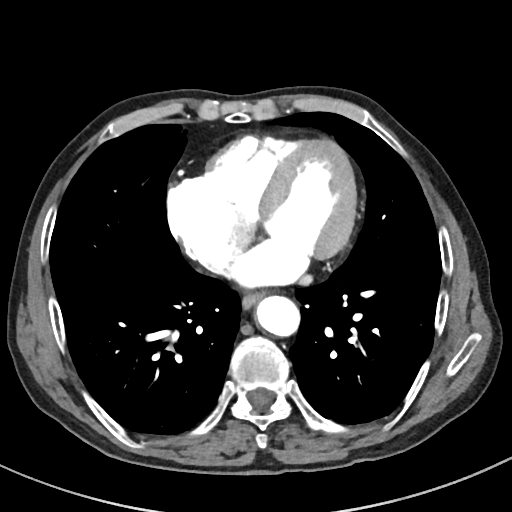
CT of the abdomen reaching into the lower chest, slice just above the liver and spleen — Axial slice 220/303 — soft-tissue window
Of the structures in the chest, this dataset labels only the esophagus, the aorta and the inferior vena cava; the heart and lungs have no label.
One row per box, in pixels: columns x1 and y1 give the top-left corner, x2 and y2 the bottom-right.
| organ | x1 | y1 | x2 | y2 |
|---|---|---|---|---|
| esophagus | 242 | 293 | 262 | 309 |
| aorta | 255 | 295 | 299 | 336 |